CT abdomen; axial view; 512x512 px; 71-year-old female patient; scan has 15 labeled organs (a whole-scan count: organs this slice does not pass through have no box)
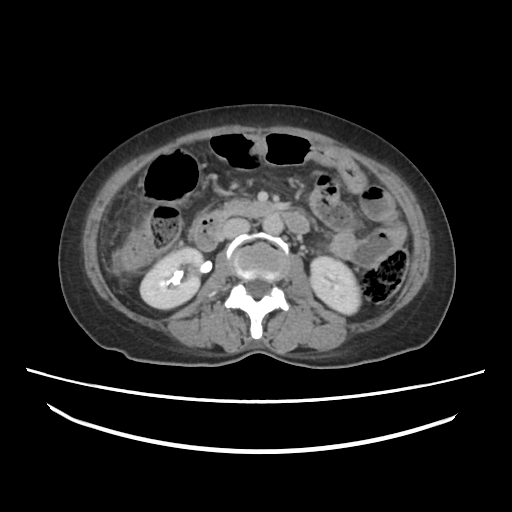
Boxes: x1:y1:x2:y2 in pixels.
Organ bounding boxes:
- pancreas: 217:197:252:218
- duodenum: 196:201:310:252
- right kidney: 140:248:202:310
- aorta: 262:213:282:235
- inferior vena cava: 222:219:250:237
- left kidney: 310:255:359:314